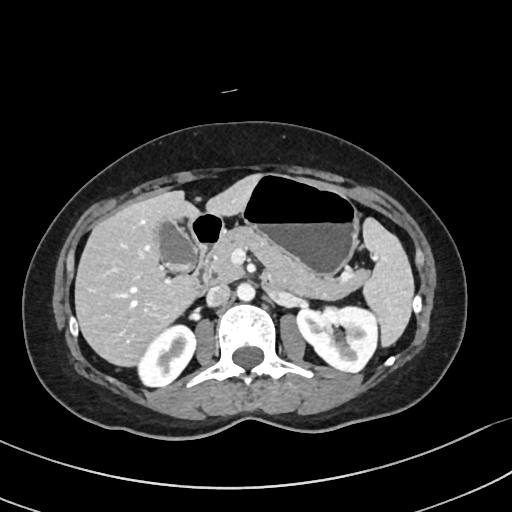

CT abdomen · axial view · W/L 400/40 HU · 512x512 px
Bounding boxes in pixels, one row per box: x1, y1 is the top-left corner and x2, y2 the bottom-right.
| organ | x1 | y1 | x2 | y2 |
|---|---|---|---|---|
| spleen | 363 | 217 | 414 | 346 |
| right kidney | 138 | 325 | 195 | 386 |
| left kidney | 297 | 306 | 377 | 372 |
| gall bladder | 157 | 220 | 197 | 271 |
| liver | 74 | 174 | 261 | 366 |
| stomach | 241 | 174 | 358 | 275 |
| aorta | 236 | 283 | 255 | 301 |
| inferior vena cava | 206 | 284 | 230 | 306 |
| pancreas | 209 | 226 | 368 | 300 |
| duodenum | 189 | 212 | 278 | 295 |